Abdominal CT; this slice is in the lower chest, just above the liver; axial view
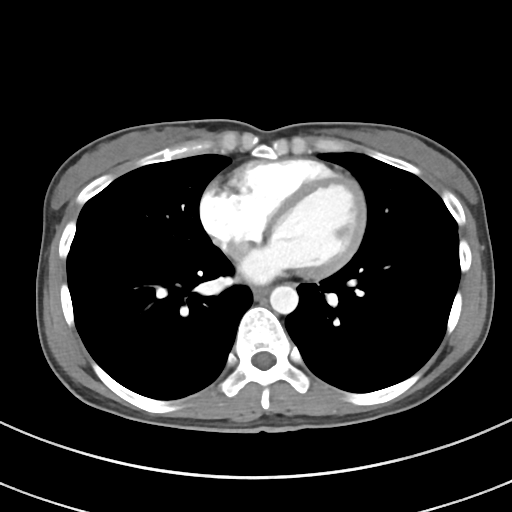 Of the structures in the chest, this dataset labels only the esophagus, the aorta and the inferior vena cava; the heart and lungs have no label.
Boxes: x1:y1:x2:y2 in pixels.
esophagus: 253:288:267:298
aorta: 269:285:298:313